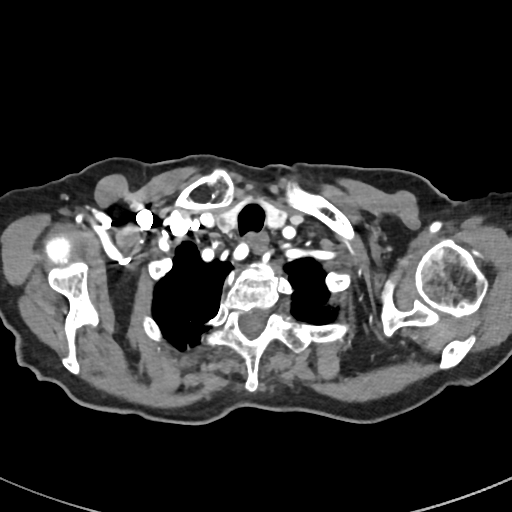

CT of the abdomen extending into the chest, slice through the chest — axial view — soft-tissue window — 15 organs annotated in this scan (counted over the whole 3D scan, not this slice; an organ is boxed only where this slice passes through it)
At this level of the chest this dataset labels only the esophagus and the aorta, and each is boxed only where it is labeled; the heart and lungs are never labeled.
<organs><organ name="esophagus" x1="248" y1="235" x2="267" y2="254"/></organs>